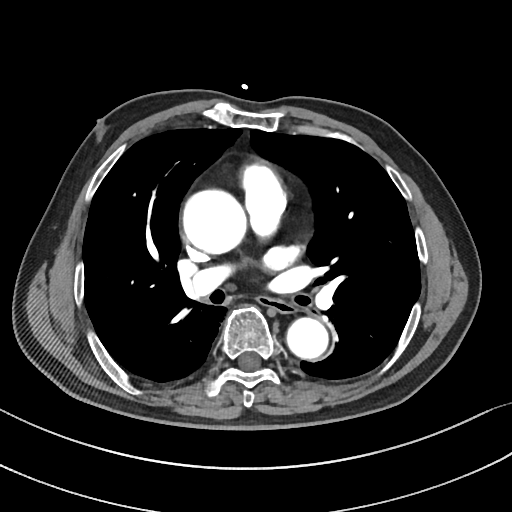
Abdominal CT reaching into the chest; this slice is in the chest · axial view · W/L 400/40 HU · 512x512 px
On a slice this high in the chest, this dataset labels only the esophagus and the aorta, and each is boxed only where it is labeled; the heart, lungs and other chest structures are not labeled.
{"organs":{"esophagus":[258,296,293,312],"aorta":[[183,190,247,254],[287,318,328,360]]}}